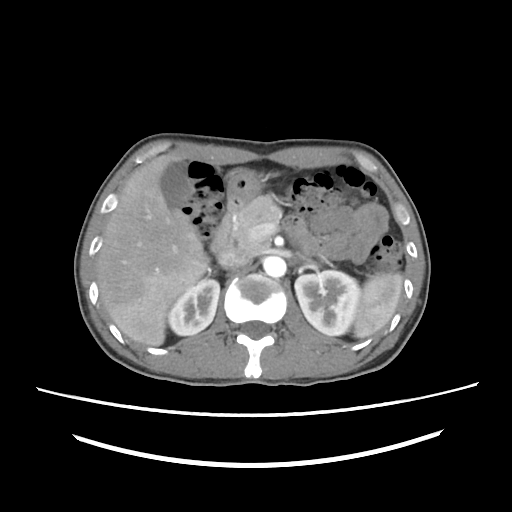

CT abdomen · axial view · 51-year-old male patient · Aquilion ONE scanner
Box edges are left/top/right/bottom in pixels. The annotated organs in this slice are: spleen at left=349, top=271, right=403, bottom=339, right kidney at left=166, top=278, right=219, bottom=335, left kidney at left=295, top=271, right=359, bottom=335, gall bladder at left=161, top=161, right=188, bottom=208, liver at left=95, top=156, right=210, bottom=345, stomach at left=226, top=167, right=265, bottom=210, aorta at left=262, top=255, right=286, bottom=277, inferior vena cava at left=218, top=250, right=252, bottom=270, pancreas at left=232, top=195, right=281, bottom=252, duodenum at left=208, top=210, right=235, bottom=253.